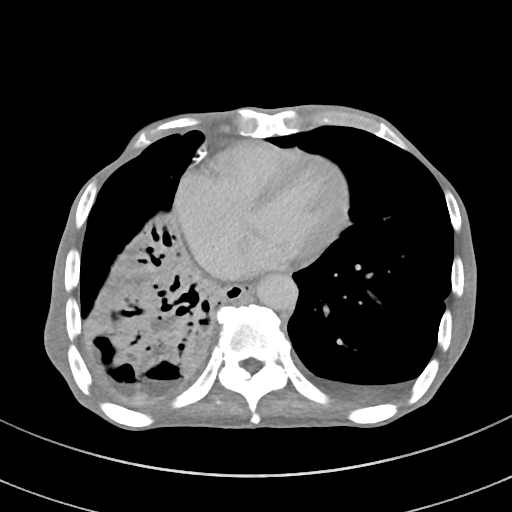 Lower-chest slice from an abdominal CT, just above the liver and spleen · axial view · soft-tissue window (W 400 / L 40) · 512x512 px · 15 organs annotated in this scan (counted over the whole 3D scan, not this slice; an organ is boxed only where this slice passes through it)
No part of the heart or lungs is labeled in this dataset, so neither has a box here.
<organs><organ name="esophagus" x1="218" y1="285" x2="253" y2="301"/><organ name="aorta" x1="256" y1="273" x2="297" y2="311"/><organ name="inferior vena cava" x1="210" y1="257" x2="238" y2="279"/></organs>